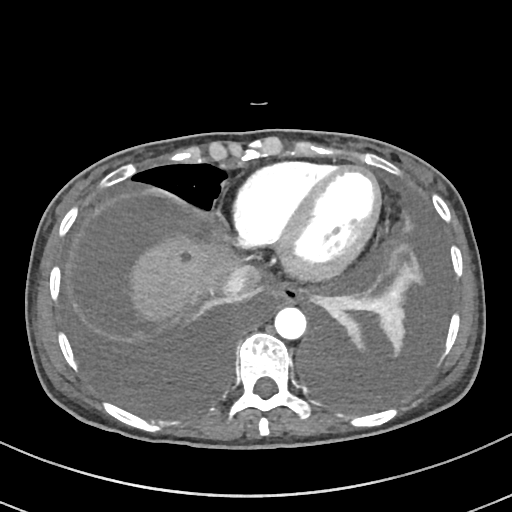 Abdominal CT. axial view
Boxes: x1:y1:x2:y2 in pixels.
esophagus: 268:283:302:305
liver: 130:234:235:321
aorta: 274:307:306:339
inferior vena cava: 222:264:261:297